Abdominal CT. Axial slice 175/225. SOMATOM Force scanner
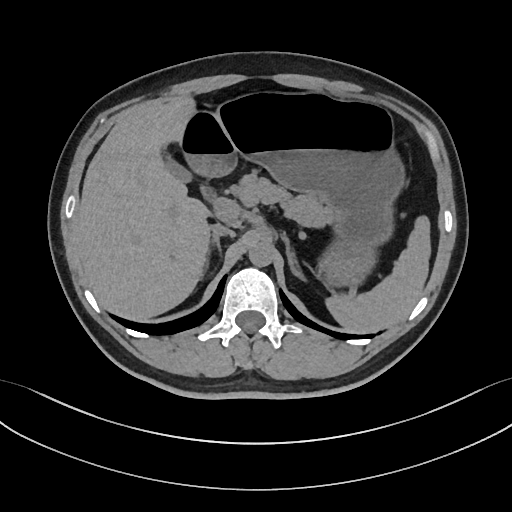
{"organs":{"stomach":[178,93,401,285],"duodenum":[199,185,215,200],"pancreas":[231,173,337,227],"right adrenal gland":[213,236,221,247],"aorta":[248,241,272,266],"liver":[74,97,209,320],"gall bladder":[158,142,189,181],"spleen":[328,217,431,333],"inferior vena cava":[210,223,235,237],"left adrenal gland":[281,232,306,279]}}